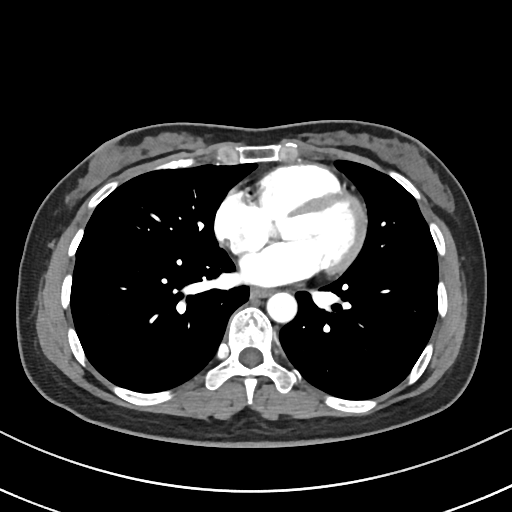
CT of the abdomen reaching into the lower chest, slice just above the liver and spleen. axial plane, index 238. SOMATOM Force scanner
Of the structures in the chest, this dataset labels only the esophagus, the aorta and the inferior vena cava; the heart and lungs have no label.
Coordinates as <box>x1,y1,x2,y2</box> in pixels.
Organ bounding boxes:
- esophagus: <box>251,287,270,298</box>
- aorta: <box>266,292,296,322</box>